Chest-level CT slice, above the liver and spleen; axial view; soft-tissue window (W 400 / L 40); 768x768 px; 62-year-old male patient
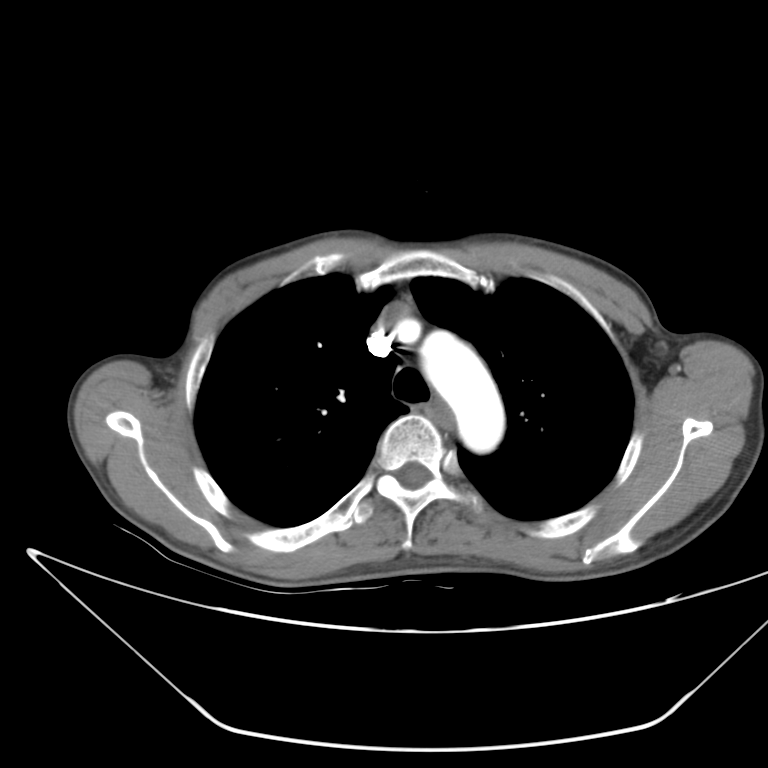 On a slice this high in the chest, this dataset labels only the esophagus and the aorta, and each is boxed only where it is labeled; the heart, lungs and other chest structures are not labeled.
Coordinates as <box>x1,y1,x2,y2</box> in pixels.
Organ bounding boxes:
- esophagus: <box>425,406,455,431</box>
- aorta: <box>419,330,504,453</box>